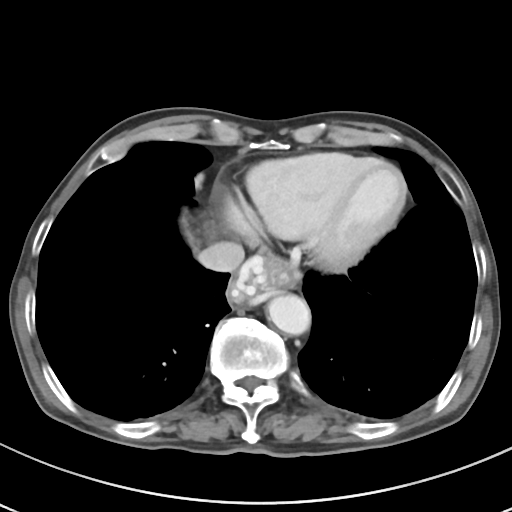

Abdominal CT; this slice is in the lower chest, just above the liver; Axial slice 76/122; soft-tissue window, W/L 400/40; 512x512 px
The heart and lungs are never labeled in this dataset, so they have no box on this slice.
Organ boxes in pixel coordinates; each row gives the top-left (x1, y1) and bottom-right (x2, y2) corners.
| organ | x1 | y1 | x2 | y2 |
|---|---|---|---|---|
| esophagus | 228 | 256 | 298 | 305 |
| aorta | 267 | 294 | 310 | 334 |
| inferior vena cava | 197 | 241 | 244 | 272 |